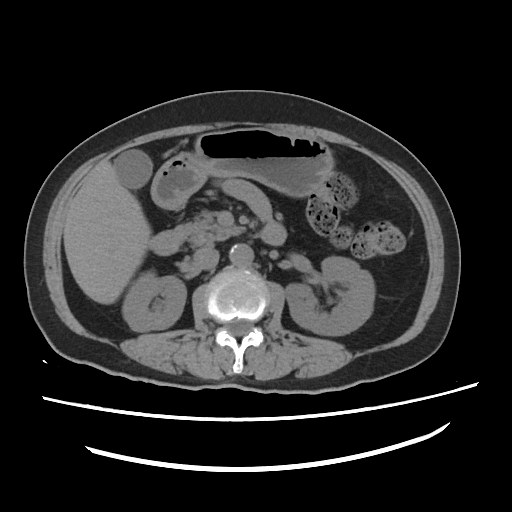
Abdominal CT · axial view · 512x512 px
Bounding boxes in pixels, one row per box: x1, y1 is the top-left corner and x2, y2 the bottom-right.
| organ | x1 | y1 | x2 | y2 |
|---|---|---|---|---|
| right kidney | 122 | 274 | 186 | 331 |
| left kidney | 285 | 256 | 374 | 335 |
| gall bladder | 113 | 149 | 152 | 188 |
| liver | 63 | 160 | 151 | 304 |
| stomach | 151 | 128 | 334 | 209 |
| aorta | 229 | 244 | 253 | 266 |
| inferior vena cava | 193 | 244 | 219 | 269 |
| pancreas | 175 | 211 | 243 | 244 |
| duodenum | 149 | 221 | 286 | 255 |